CT abdomen; axial plane, index 197; 15 organs annotated in this scan (counted over the whole 3D scan, not this slice; an organ is boxed only where this slice passes through it)
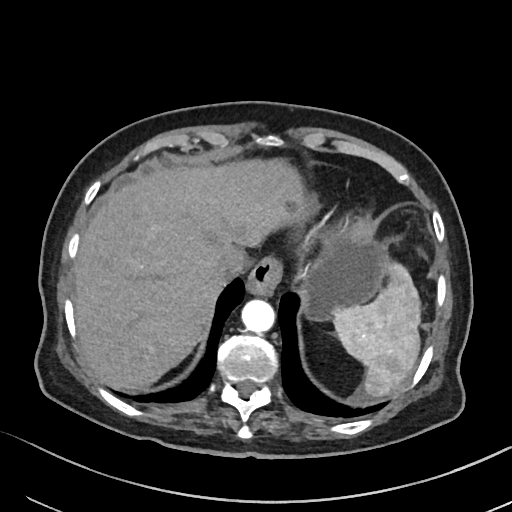

Boxes: x1:y1:x2:y2 in pixels.
Organ bounding boxes:
- spleen: 332:262:420:396
- esophagus: 246:260:280:296
- liver: 74:157:409:388
- stomach: 299:235:389:319
- aorta: 242:300:276:333
- inferior vena cava: 215:252:243:278